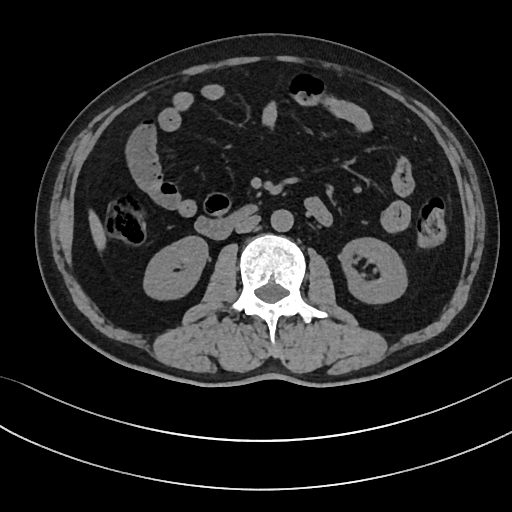
CT abdomen; axial view; soft-tissue window; SOMATOM Force scanner
Boxes: x1:y1:x2:y2 in pixels. The annotated organs in this slice are: right kidney at 144:237:207:297, left kidney at 337:238:405:303, liver at 88:212:104:249, aorta at 270:208:293:231, inferior vena cava at 235:215:260:232, duodenum at 195:206:255:239.